CT abdomen — axial view — 512x512 px
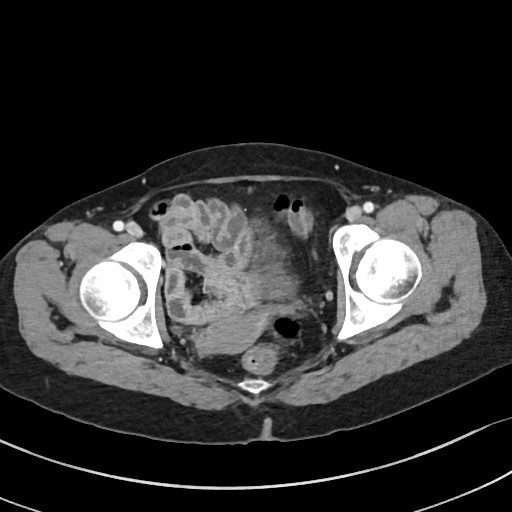
{"organs":{"bladder":[259,239,291,297],"prostate/uterus":[205,311,267,352]}}